CT, abdomen/pelvis — Axial slice 81/91 — soft-tissue window (W 400 / L 40) — 512x512 px
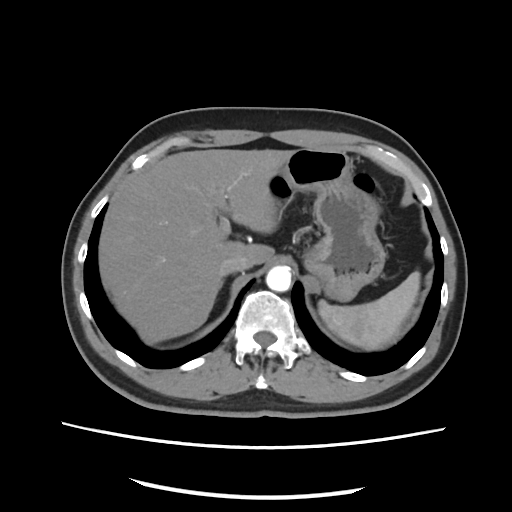
Box edges are left/top/right/bottom in pixels.
aorta: left=266, top=265, right=290, bottom=291
spleen: left=318, top=271, right=421, bottom=350
inferior vena cava: left=220, top=255, right=254, bottom=274
liver: left=97, top=148, right=292, bottom=343
right adrenal gland: left=220, top=278, right=225, bottom=287
stomach: left=267, top=146, right=384, bottom=300